Chest-level CT slice, above the liver and spleen. axial plane, index 304. scan has 15 labeled organs (a whole-scan count: organs this slice does not pass through have no box)
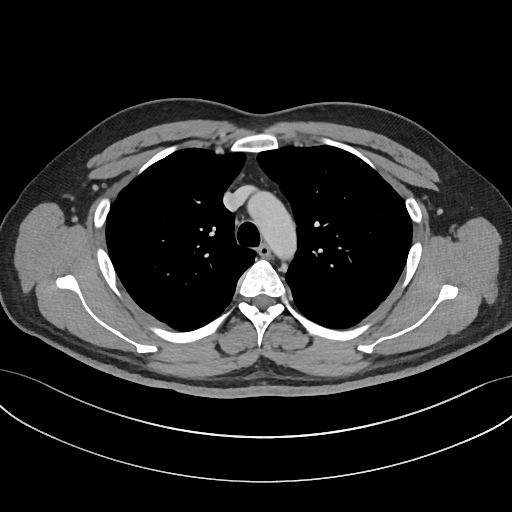 At this level of the chest this dataset labels only the esophagus and the aorta, and each is boxed only where it is labeled; the heart and lungs are never labeled.
Coordinates as <box>x1,y1,x2,y2</box> in pixels.
esophagus: <box>257,244,270,257</box>
aorta: <box>246,190,298,261</box>